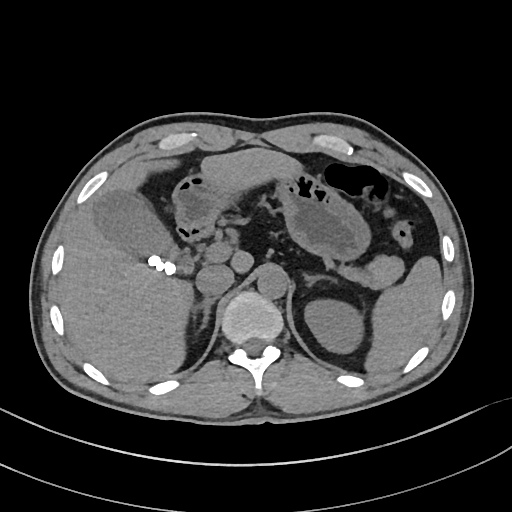

Computed tomography, abdomen · axial view · W/L 400/40 HU
<organs><organ name="spleen" x1="365" y1="256" x2="443" y2="372"/><organ name="left kidney" x1="304" y1="299" x2="364" y2="353"/><organ name="gall bladder" x1="94" y1="191" x2="191" y2="274"/><organ name="liver" x1="59" y1="147" x2="302" y2="382"/><organ name="stomach" x1="174" y1="170" x2="370" y2="261"/><organ name="aorta" x1="257" y1="268" x2="287" y2="298"/><organ name="inferior vena cava" x1="195" y1="264" x2="234" y2="297"/><organ name="pancreas" x1="361" y1="255" x2="404" y2="288"/><organ name="right adrenal gland" x1="192" y1="297" x2="216" y2="329"/><organ name="left adrenal gland" x1="304" y1="274" x2="336" y2="286"/><organ name="duodenum" x1="177" y1="222" x2="212" y2="241"/></organs>